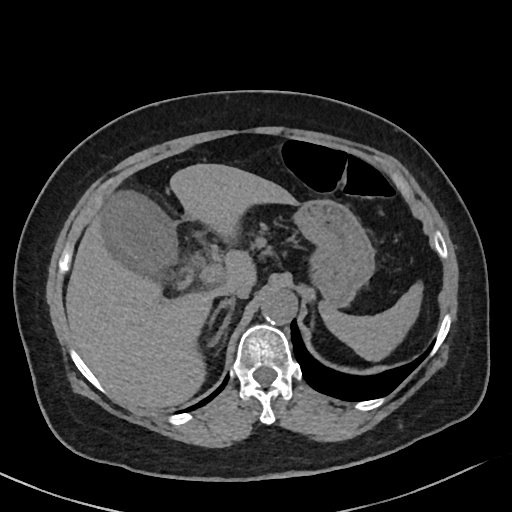

CT, abdomen/pelvis · Axial slice 153/192 · soft-tissue window (W 400 / L 40) · 512x512 px
{"organs":{"spleen":[319,284,422,360],"gall bladder":[103,193,175,276],"liver":[66,163,300,409],"stomach":[296,200,374,307],"aorta":[260,289,296,325],"inferior vena cava":[221,284,251,298],"right adrenal gland":[209,298,235,346]}}